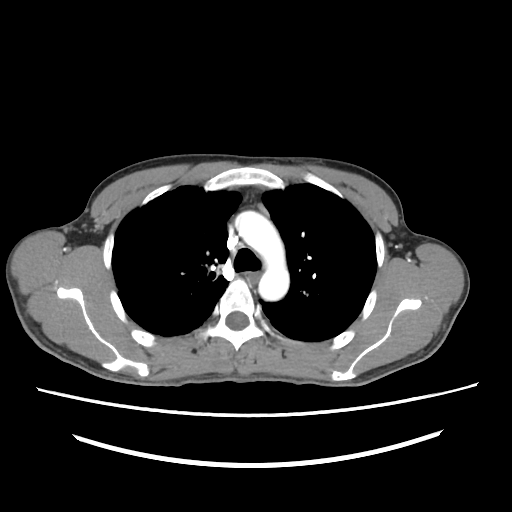 Chest-level slice from an abdominal CT that extends up into the chest. axial view. 512x512 px
On a slice this high in the chest, this dataset labels only the esophagus and the aorta, and each is boxed only where it is labeled; the heart, lungs and other chest structures are not labeled.
{"organs":{"aorta":[235,211,288,299]}}